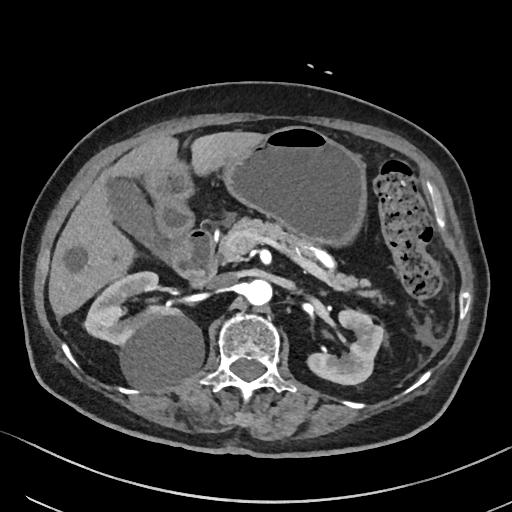

CT abdomen · axial view · soft-tissue window (W 400 / L 40) · 512x512 px · scan has 15 labeled organs (a whole-scan count: organs this slice does not pass through have no box)
Bounding boxes as [x1, y1, x2, y2] in pixel coordinates.
Organ bounding boxes:
- right kidney: [85, 271, 203, 388]
- left kidney: [306, 309, 384, 384]
- gall bladder: [101, 174, 168, 261]
- liver: [48, 132, 261, 317]
- stomach: [143, 125, 365, 263]
- aorta: [246, 279, 272, 305]
- inferior vena cava: [208, 273, 237, 290]
- pancreas: [216, 215, 367, 289]
- duodenum: [171, 228, 216, 288]